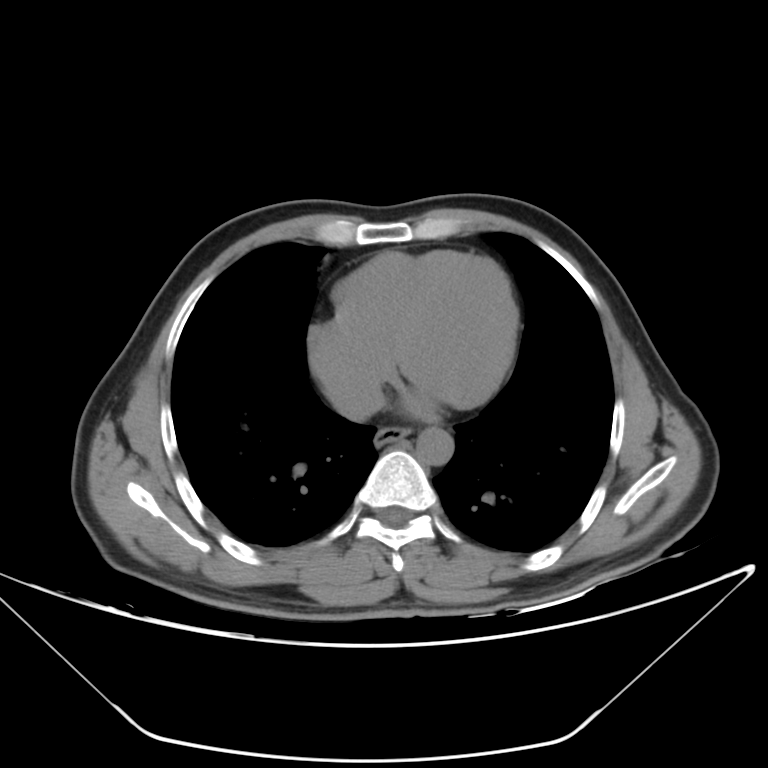 Abdominal CT; this slice is in the lower chest, just above the liver. axial plane, index 95. 50-year-old male patient
Of the structures in the chest, this dataset labels only the esophagus, the aorta and the inferior vena cava; the heart and lungs have no label.
{"organs":{"esophagus":[374,427,409,446],"aorta":[416,427,453,465],"inferior vena cava":[331,384,383,420]}}